Abdominal CT — axial view — soft-tissue window (W 400 / L 40) — acquired on Aquilion ONE
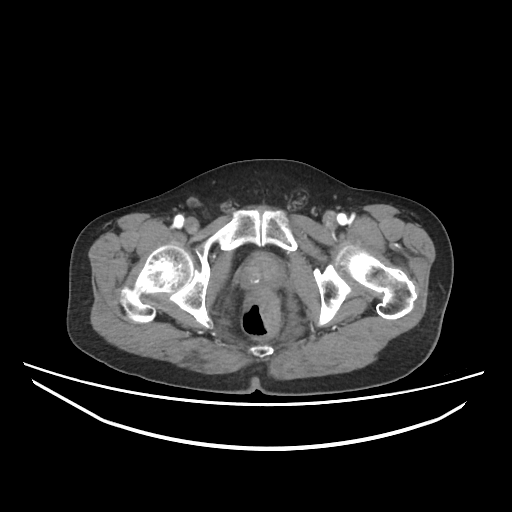

{"organs":{"prostate/uterus":[241,253,283,291]}}